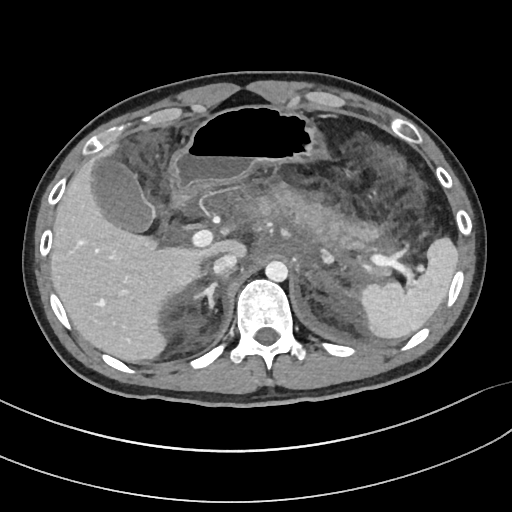

CT, abdomen/pelvis. axial view. 512x512 px. 15 organs annotated in this scan (counted over the whole 3D scan, not this slice; an organ is boxed only where this slice passes through it)
Boxes: x1 y1 x2 y2 (pixel coords, space-separated).
spleen: 360 239 458 338
gall bladder: 90 154 154 231
liver: 50 143 245 362
stomach: 167 104 320 199
aorta: 265 261 288 281
inferior vena cava: 212 253 238 274
pancreas: 241 184 377 247
right adrenal gland: 193 280 218 308
duodenum: 165 194 190 216